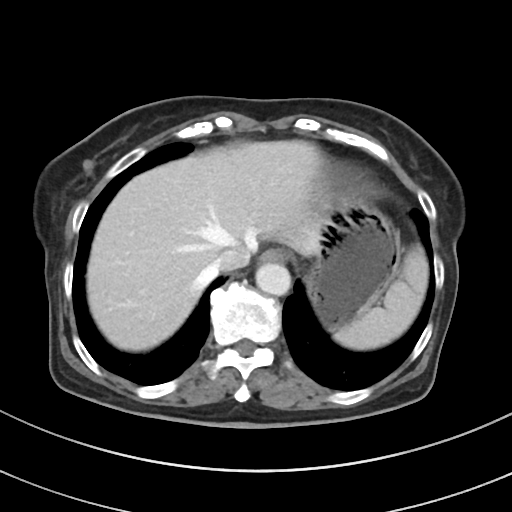

Computed tomography, abdomen · axial view · scan has 15 labeled organs (counted over the whole 3D scan, not this slice; an organ is boxed only where this slice passes through it)
Boxes: x1:y1:x2:y2 in pixels.
Organ bounding boxes:
- spleen: 333:245:428:349
- esophagus: 259:249:287:263
- liver: 86:140:331:351
- stomach: 305:196:400:330
- aorta: 255:263:290:295
- inferior vena cava: 215:245:250:271